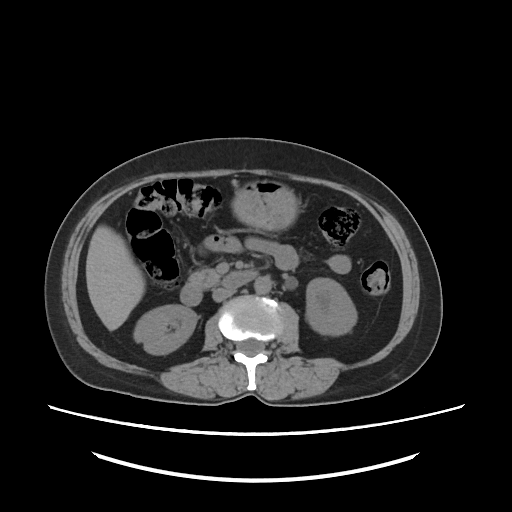
CT, abdomen/pelvis; axial view; 15 organs annotated in this scan (that count is for the whole scan; organs this slice misses have no box)
{"organs":{"right kidney":[134,304,194,353],"left kidney":[306,279,354,335],"liver":[87,224,145,330],"stomach":[233,178,301,230],"aorta":[254,276,270,293],"inferior vena cava":[213,286,232,300],"pancreas":[190,270,218,289],"duodenum":[179,270,257,305]}}